MRI, abdomen — coronal plane, index 28 — percentile-normalized — scan has 13 labeled organs (counted over the whole 3D scan, not this slice; an organ is boxed only where this slice passes through it)
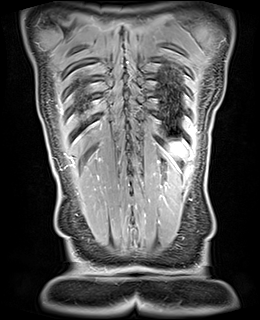 Coordinates as <box>x1,y1,x2,y2</box> in pixels.
Organ bounding boxes:
- spleen: <box>169,143,182,155</box>